CT, abdomen/pelvis; axial view; soft-tissue window; 512x512 px; 73-year-old female patient; acquired on Aquilion ONE; scan has 15 labeled organs (counted over the whole 3D scan, not this slice; an organ is boxed only where this slice passes through it)
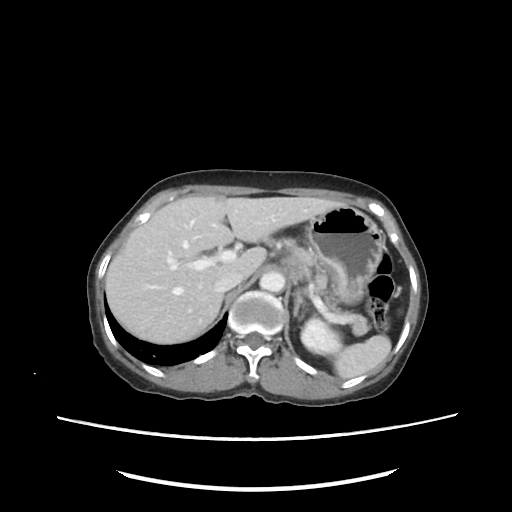
Boxes: x1 y1 x2 y2 (pixel coords, space-separated).
spleen: 331 334 392 379
left kidney: 301 319 346 356
liver: 105 196 346 343
stomach: 279 206 384 304
aorta: 260 273 284 293
inferior vena cava: 214 273 240 293
pancreas: 293 246 369 337
left adrenal gland: 293 288 307 318